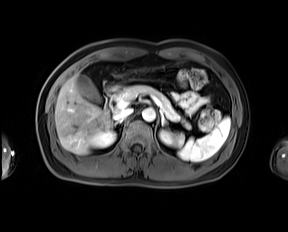

Abdominal MRI — axial plane, index 32 — 288x232 px — 13 organs annotated in this scan (that count is for the whole scan; organs this slice misses have no box)
One row per box, in pixels: columns x1 and y1 give the top-left corner, x2 and y2 the bottom-right.
| organ | x1 | y1 | x2 | y2 |
|---|---|---|---|---|
| spleen | 177 | 117 | 230 | 161 |
| right kidney | 90 | 131 | 116 | 147 |
| left kidney | 159 | 130 | 178 | 145 |
| gall bladder | 76 | 75 | 100 | 102 |
| liver | 55 | 76 | 111 | 154 |
| stomach | 109 | 62 | 181 | 91 |
| aorta | 142 | 108 | 155 | 121 |
| inferior vena cava | 113 | 108 | 132 | 120 |
| pancreas | 115 | 85 | 191 | 128 |
| right adrenal gland | 115 | 120 | 121 | 124 |
| left adrenal gland | 159 | 109 | 168 | 126 |
| duodenum | 104 | 90 | 115 | 113 |